Computed tomography, abdomen · axial plane, index 21 · 39-year-old female patient
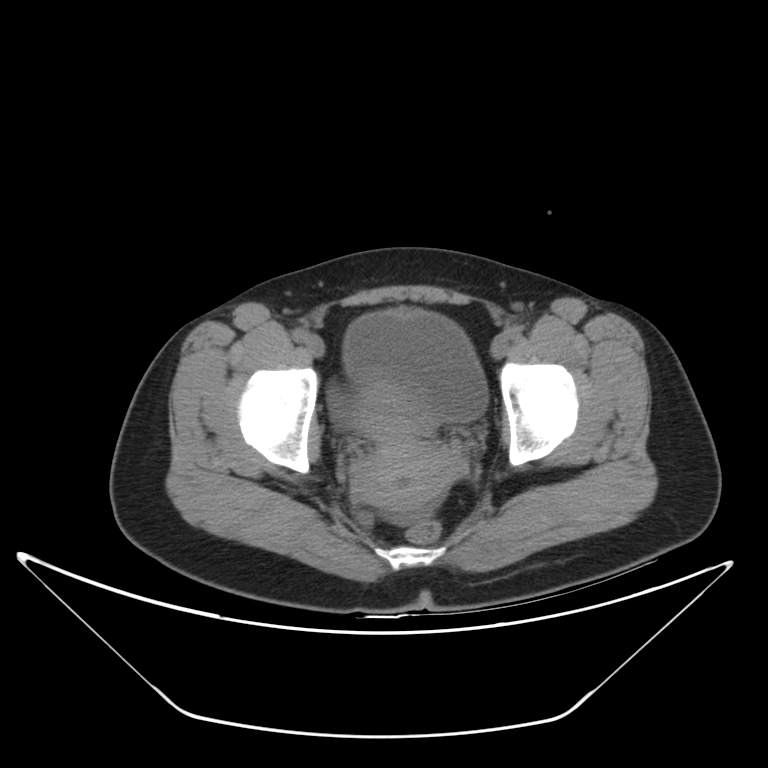 {"organs":{"bladder":[342,310,488,422],"prostate/uterus":[353,383,460,511]}}